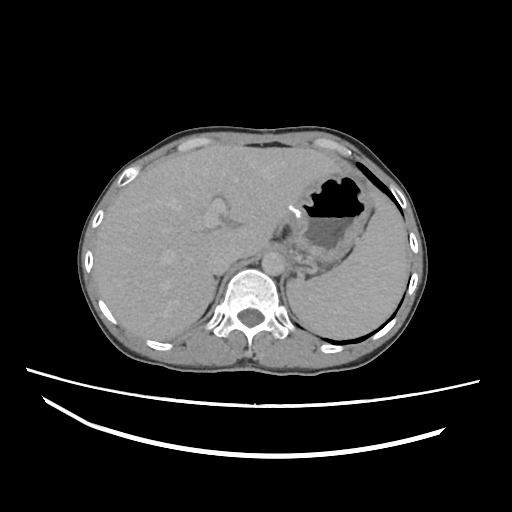
CT abdomen · axial plane, index 83 · 15 organs annotated in this scan (that count is for the whole scan; organs this slice misses have no box)
One row per box, in pixels: columns x1 and y1 give the top-left corner, x2 and y2 the bottom-right.
| organ | x1 | y1 | x2 | y2 |
|---|---|---|---|---|
| liver | 94 | 145 | 336 | 339 |
| stomach | 269 | 173 | 371 | 274 |
| aorta | 260 | 250 | 286 | 276 |
| right adrenal gland | 205 | 278 | 217 | 303 |
| spleen | 285 | 182 | 409 | 339 |
| inferior vena cava | 207 | 244 | 238 | 274 |